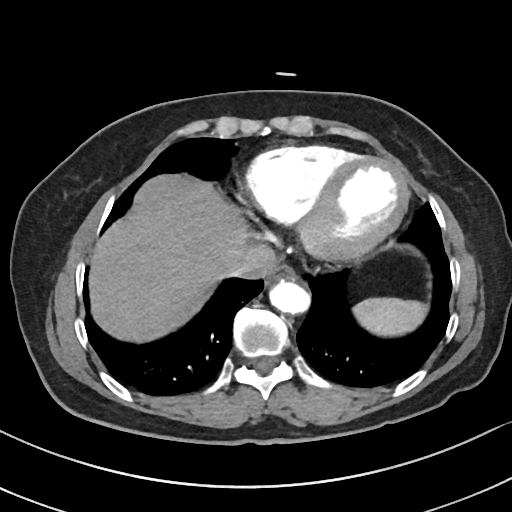 Computed tomography, abdomen; axial view; 15 organs annotated in this scan (that count is for the whole scan; organs this slice misses have no box)
Boxes: x1:y1:x2:y2 in pixels.
spleen: 354:298:424:335
esophagus: 264:265:293:286
liver: 91:176:246:341
aorta: 268:279:311:314
inferior vena cava: 221:242:277:279